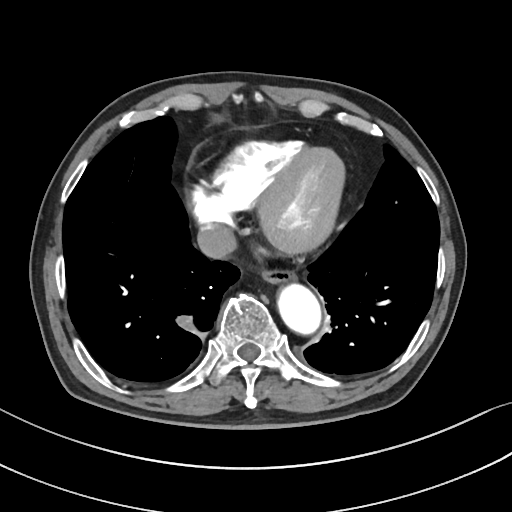
Lower-chest slice from an abdominal CT, just above the liver and spleen · Axial slice 203/306 · soft-tissue window
The heart and lungs are never labeled in this dataset, so they have no box on this slice.
{"organs":{"esophagus":[260,265,293,282],"aorta":[276,281,319,331],"inferior vena cava":[196,224,236,258]}}